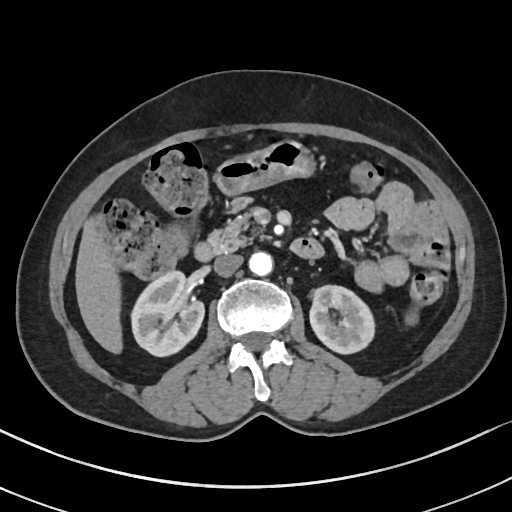 Computed tomography, abdomen. axial view. soft-tissue window. acquired on SOMATOM Force
Box edges are left/top/right/bottom in pixels.
Organ bounding boxes:
- right kidney: left=130, top=269, right=204, bottom=355
- left kidney: left=310, top=285, right=372, bottom=352
- liver: left=75, top=220, right=120, bottom=352
- stomach: left=215, top=141, right=312, bottom=194
- aorta: left=249, top=251, right=272, bottom=275
- inferior vena cava: left=214, top=254, right=242, bottom=276
- pancreas: left=210, top=198, right=259, bottom=250
- duodenum: left=193, top=237, right=323, bottom=260